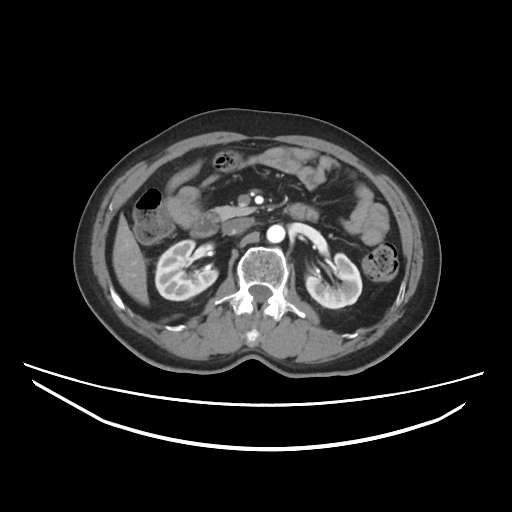
Abdominal CT; axial view; 58-year-old male patient; acquired on Aquilion ONE
Organ boxes in pixel coordinates; each row gives the top-left (x1, y1) and bottom-right (x2, y2) corners.
| organ | x1 | y1 | x2 | y2 |
|---|---|---|---|---|
| right kidney | 155 | 240 | 217 | 300 |
| left kidney | 306 | 253 | 361 | 308 |
| liver | 112 | 214 | 148 | 304 |
| aorta | 266 | 225 | 285 | 242 |
| inferior vena cava | 222 | 218 | 253 | 235 |
| pancreas | 214 | 206 | 256 | 219 |
| duodenum | 190 | 203 | 317 | 237 |